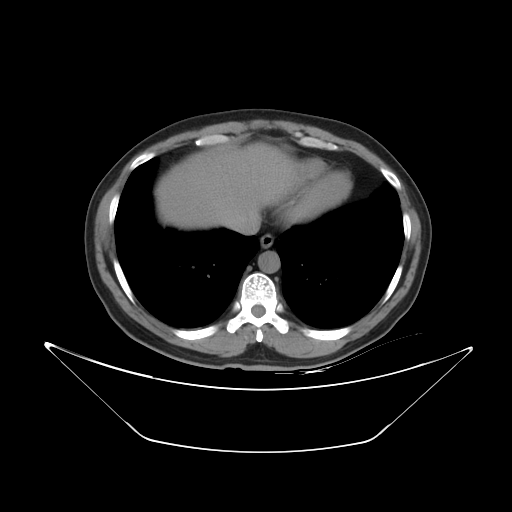

Computed tomography, abdomen · axial view · abdomen soft-tissue window · 41-year-old male patient
Bounding boxes as [x1, y1, x2, y2] in pixel coordinates.
Organ bounding boxes:
- esophagus: [260, 234, 274, 247]
- liver: [154, 141, 300, 228]
- aorta: [258, 251, 280, 273]
- inferior vena cava: [229, 215, 259, 235]